CT abdomen; axial plane, index 220; soft-tissue window; 512x512 px
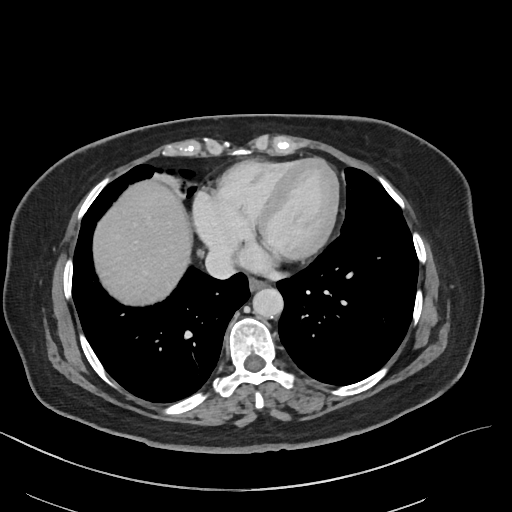 Boxes are (x1, y1, x2, y2) in pixels.
Organ bounding boxes:
- liver: (93, 180, 192, 305)
- inferior vena cava: (205, 250, 234, 279)
- esophagus: (249, 278, 266, 290)
- aorta: (252, 288, 283, 318)